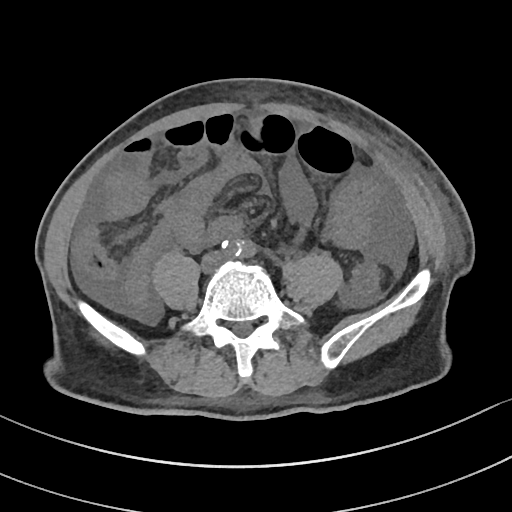 Computed tomography, abdomen · Axial slice 78/206
{"organs":{"aorta":[224,241,256,257]}}